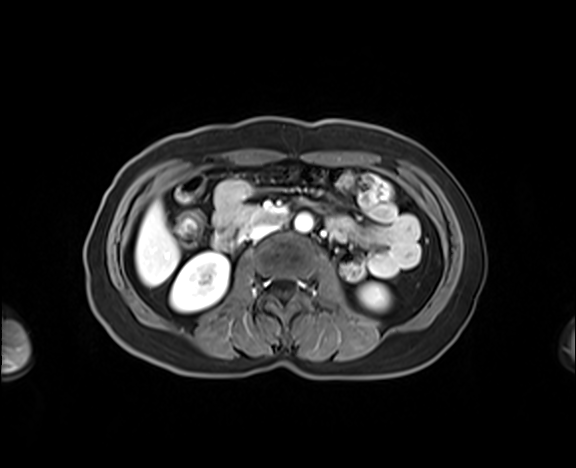 Abdominal MRI; Axial slice 18/72; 1st–99th percentile window
Boxes: x1:y1:x2:y2 in pixels.
right kidney: 170:251:229:312
left kidney: 359:283:390:309
liver: 135:201:179:285
aorta: 295:213:313:232
inferior vena cava: 249:223:277:240
pancreas: 235:206:260:223
duodenum: 214:209:284:249